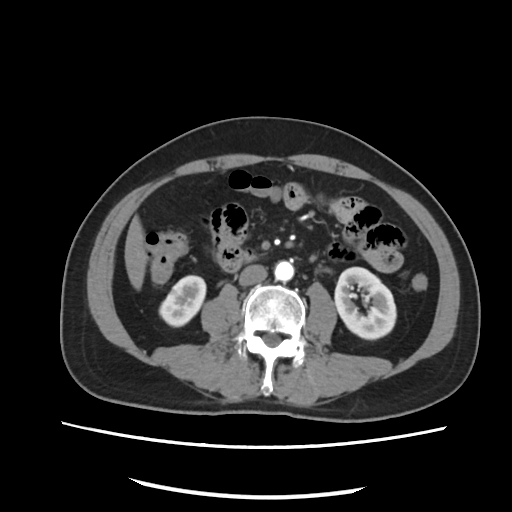
Abdominal CT; axial view; acquired on Aquilion ONE
<organs><organ name="liver" x1="124" y1="215" x2="146" y2="291"/><organ name="right kidney" x1="159" y1="277" x2="206" y2="325"/><organ name="left kidney" x1="335" y1="267" x2="396" y2="339"/><organ name="aorta" x1="274" y1="261" x2="294" y2="279"/><organ name="inferior vena cava" x1="239" y1="265" x2="267" y2="285"/></organs>